Abdominal MRI. Axial slice 52/72. acquired on Prisma
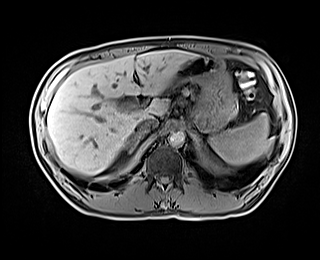 <organs><organ name="spleen" x1="210" y1="113" x2="269" y2="165"/><organ name="liver" x1="47" y1="50" x2="196" y2="175"/><organ name="stomach" x1="169" y1="56" x2="237" y2="131"/><organ name="aorta" x1="169" y1="131" x2="184" y2="146"/><organ name="inferior vena cava" x1="136" y1="117" x2="158" y2="132"/><organ name="pancreas" x1="182" y1="89" x2="189" y2="94"/><organ name="right adrenal gland" x1="124" y1="133" x2="143" y2="154"/></organs>